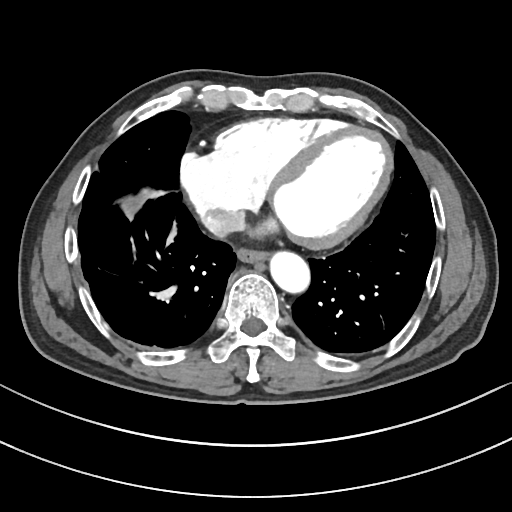

Abdominal CT; this slice is in the lower chest, just above the liver; axial view; soft-tissue window; 512x512 px; acquired on SOMATOM Force
Of the structures in the chest, this dataset labels only the esophagus, the aorta and the inferior vena cava; the heart and lungs have no label.
One row per box, in pixels: columns x1 and y1 give the top-left corner, x2 and y2 the bottom-right.
| organ | x1 | y1 | x2 | y2 |
|---|---|---|---|---|
| esophagus | 238 | 251 | 269 | 264 |
| aorta | 272 | 253 | 311 | 295 |
| inferior vena cava | 201 | 209 | 244 | 237 |